Computed tomography, abdomen — axial view — soft-tissue window (W 400 / L 40) — 512x512 px
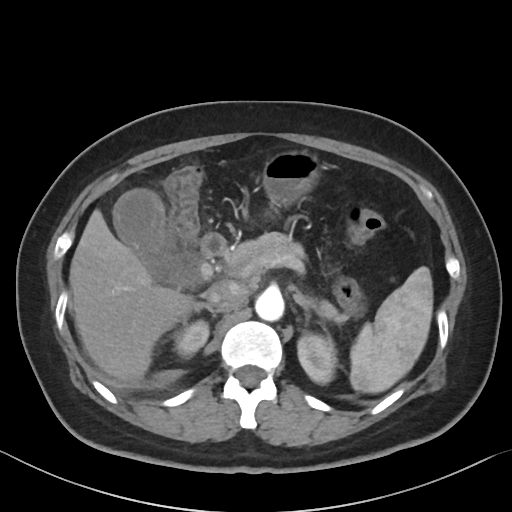 <organs><organ name="spleen" x1="350" y1="266" x2="432" y2="393"/><organ name="right kidney" x1="174" y1="320" x2="208" y2="358"/><organ name="left kidney" x1="297" y1="333" x2="336" y2="384"/><organ name="gall bladder" x1="115" y1="190" x2="199" y2="289"/><organ name="liver" x1="69" y1="209" x2="196" y2="379"/><organ name="stomach" x1="262" y1="150" x2="320" y2="206"/><organ name="aorta" x1="255" y1="289" x2="284" y2="321"/><organ name="inferior vena cava" x1="206" y1="280" x2="247" y2="312"/><organ name="pancreas" x1="223" y1="232" x2="349" y2="323"/><organ name="right adrenal gland" x1="183" y1="302" x2="216" y2="325"/><organ name="left adrenal gland" x1="294" y1="291" x2="325" y2="322"/><organ name="duodenum" x1="200" y1="233" x2="226" y2="258"/></organs>